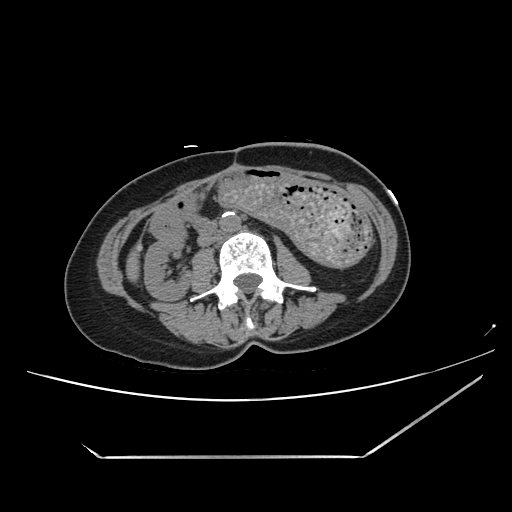

CT abdomen · axial view · abdomen soft-tissue window
<organs><organ name="right kidney" x1="144" y1="239" x2="189" y2="302"/><organ name="liver" x1="128" y1="251" x2="138" y2="282"/><organ name="stomach" x1="219" y1="179" x2="373" y2="269"/><organ name="aorta" x1="220" y1="211" x2="241" y2="233"/><organ name="inferior vena cava" x1="197" y1="232" x2="220" y2="246"/><organ name="duodenum" x1="151" y1="215" x2="218" y2="241"/></organs>